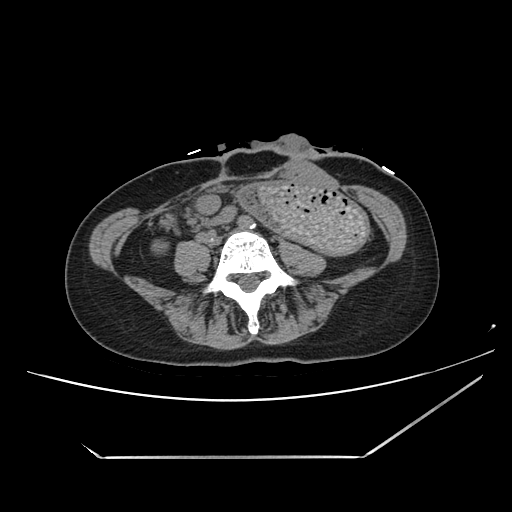 Abdominal CT; Axial slice 65/143; W/L 400/40 HU; acquired on SOMATOM Force
<organs><organ name="stomach" x1="238" y1="181" x2="370" y2="254"/><organ name="right kidney" x1="151" y1="239" x2="168" y2="255"/></organs>